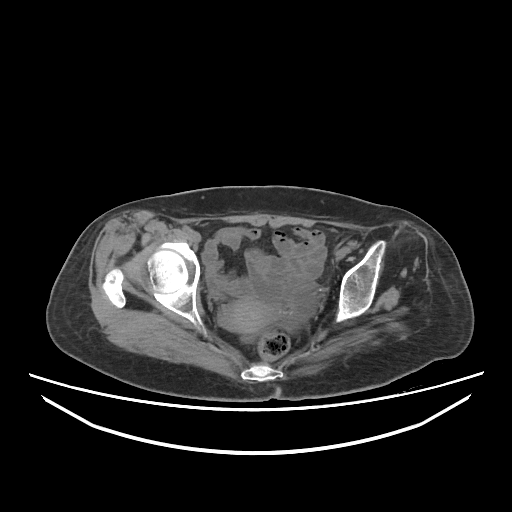 CT, abdomen/pelvis — axial view — W/L 400/40 HU — acquired on Aquilion ONE — scan has 15 labeled organs (that count is for the whole scan; organs this slice misses have no box)
Bounding boxes as [x1, y1, x2, y2] in pixel coordinates.
Organ bounding boxes:
- prostate/uterus: [228, 296, 272, 335]